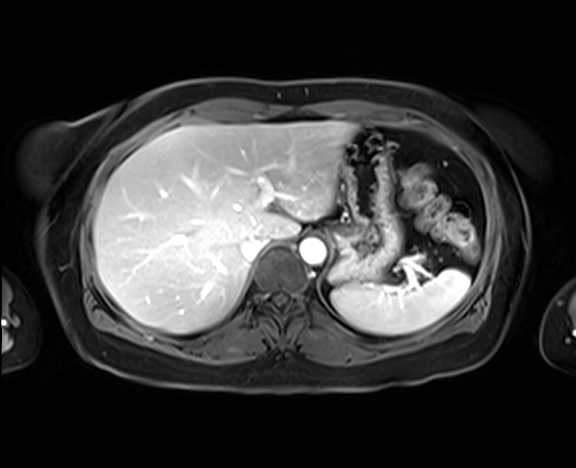 Abdominal MRI. axial view. percentile-normalized
Each box given as x1,y1,x2,y2. The annotated organs in this slice are: spleen at x1=331, y1=269, x2=469, y2=335, liver at x1=93, y1=121, x2=355, y2=333, stomach at x1=329, y1=127, x2=401, y2=282, aorta at x1=299, y1=237, x2=326, y2=264, inferior vena cava at x1=241, y1=237, x2=268, y2=261.